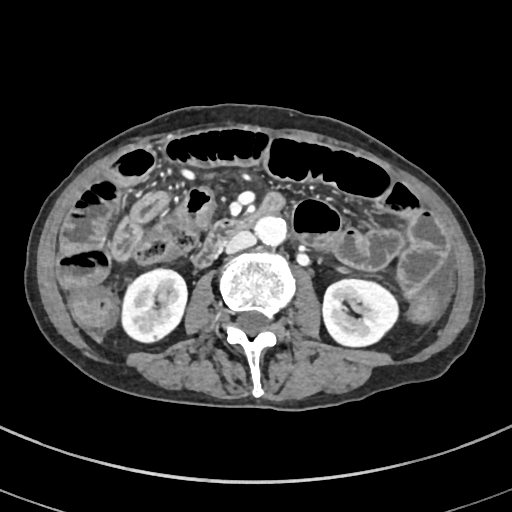
CT, abdomen/pelvis; axial view; soft-tissue window; SOMATOM Force scanner
One row per box, in pixels: columns x1 and y1 give the top-left corner, x2 and y2 the bottom-right.
| organ | x1 | y1 | x2 | y2 |
|---|---|---|---|---|
| right kidney | 120 | 268 | 187 | 343 |
| left kidney | 322 | 278 | 399 | 347 |
| aorta | 252 | 215 | 286 | 245 |
| inferior vena cava | 223 | 230 | 254 | 254 |
| duodenum | 192 | 194 | 283 | 268 |